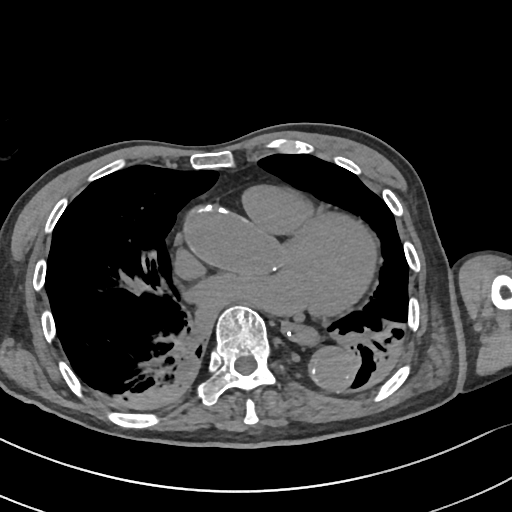 Lower-chest slice from an abdominal CT, just above the liver and spleen · axial plane, index 203
No part of the heart or lungs is labeled in this dataset, so neither has a box here.
{"organs":{"esophagus":[281,324,316,343],"aorta":[309,349,354,388]}}